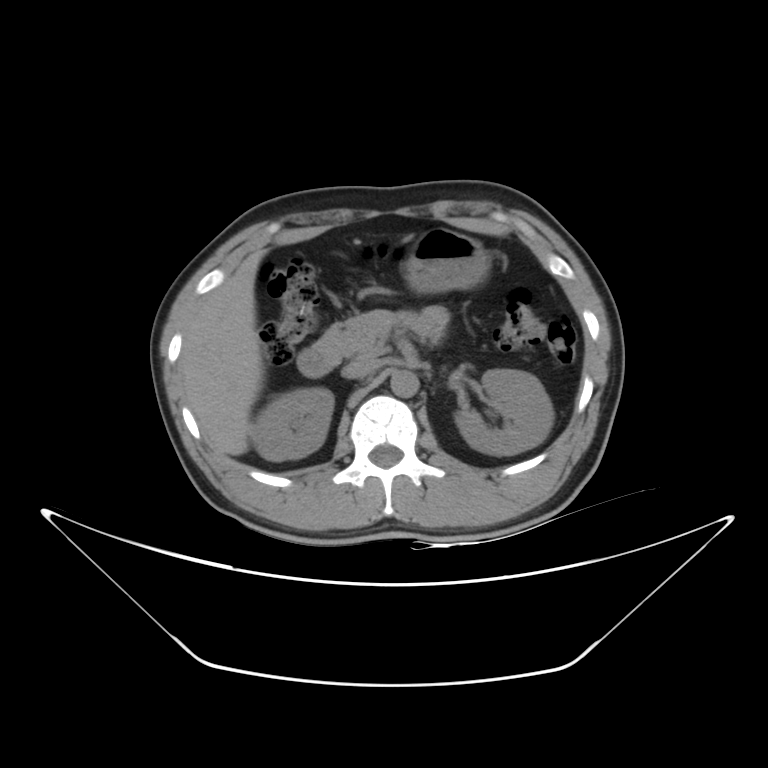
Computed tomography, abdomen · axial view · 768x768 px · 15 organs annotated in this scan (counted over the whole 3D scan, not this slice; an organ is boxed only where this slice passes through it)
{"organs":{"right kidney":[251,387,333,460],"stomach":[403,227,490,293],"duodenum":[296,346,339,377],"aorta":[390,370,419,397],"pancreas":[316,309,447,358],"liver":[179,250,265,455],"inferior vena cava":[342,359,381,377],"left kidney":[455,369,554,455]}}